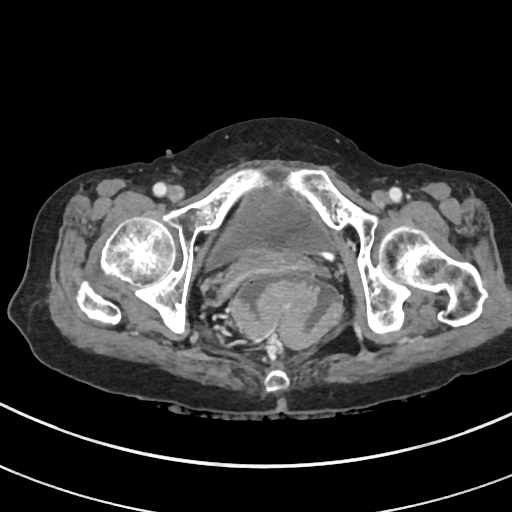
CT, abdomen/pelvis — Axial slice 17/284 — W/L 400/40 HU — 15 organs annotated in this scan (counted over the whole 3D scan, not this slice; an organ is boxed only where this slice passes through it)
Boxes: x1 y1 x2 y2 (pixel coords, space-separated). The annotated organs in this slice are: bladder at 206 187 334 271.